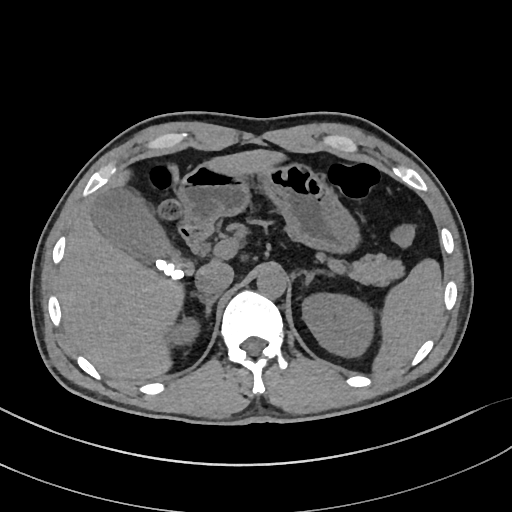 CT, abdomen/pelvis — axial view — 512x512 px
<organs><organ name="spleen" x1="373" y1="258" x2="442" y2="371"/><organ name="right kidney" x1="168" y1="317" x2="199" y2="344"/><organ name="left kidney" x1="302" y1="293" x2="373" y2="356"/><organ name="gall bladder" x1="92" y1="187" x2="192" y2="279"/><organ name="liver" x1="59" y1="149" x2="285" y2="381"/><organ name="stomach" x1="177" y1="163" x2="359" y2="253"/><organ name="aorta" x1="256" y1="267" x2="287" y2="297"/><organ name="inferior vena cava" x1="195" y1="262" x2="233" y2="295"/><organ name="pancreas" x1="348" y1="253" x2="404" y2="286"/><organ name="right adrenal gland" x1="192" y1="293" x2="217" y2="318"/><organ name="left adrenal gland" x1="302" y1="270" x2="332" y2="285"/><organ name="duodenum" x1="179" y1="223" x2="212" y2="252"/></organs>